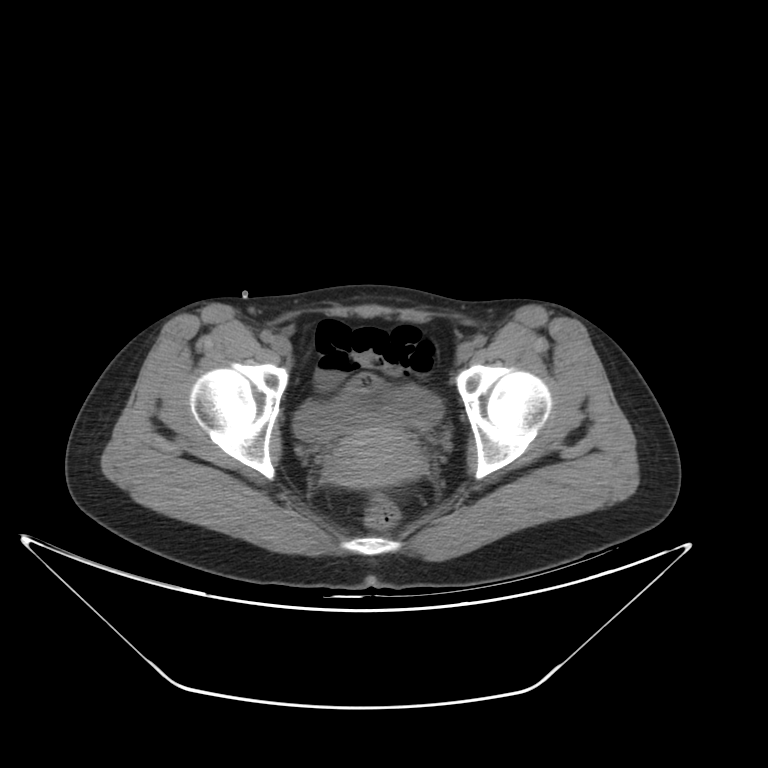

Abdominal CT; axial plane, index 19; W/L 400/40 HU; 768x768 px; 43-year-old female patient
Boxes: x1 y1 x2 y2 (pixel coords, space-separated).
bladder: 293 371 442 441
prostate/uterus: 326 426 422 486